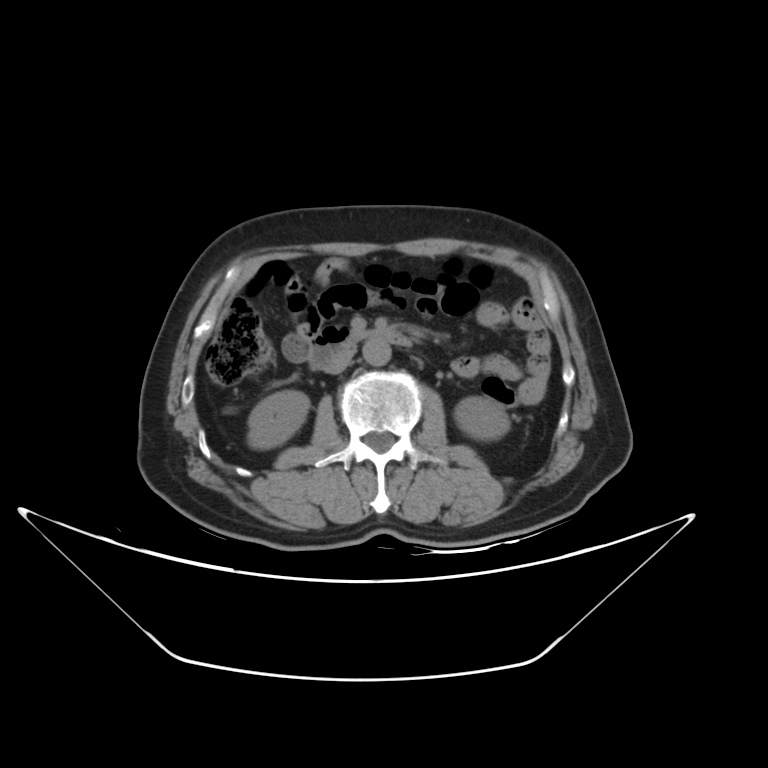

Computed tomography, abdomen; axial view; scan has 15 labeled organs (that count is for the whole scan; organs this slice misses have no box)
Bounding boxes in pixels, one row per box: x1, y1 is the top-left corner and x2, y2 the bottom-right.
| organ | x1 | y1 | x2 | y2 |
|---|---|---|---|---|
| right kidney | 247 | 390 | 309 | 451 |
| left kidney | 452 | 397 | 508 | 439 |
| aorta | 363 | 339 | 390 | 365 |
| inferior vena cava | 323 | 349 | 353 | 373 |
| duodenum | 303 | 328 | 411 | 369 |